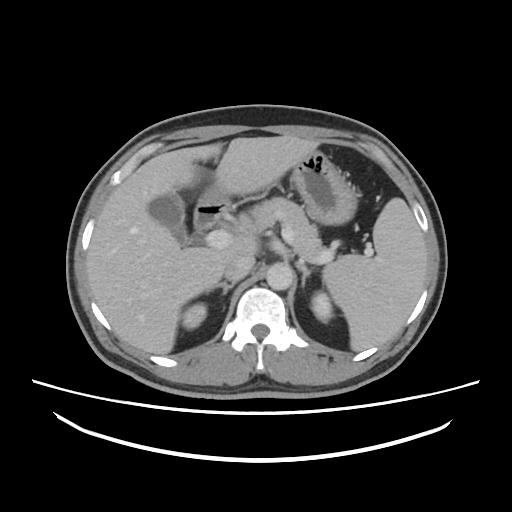
CT, abdomen/pelvis. axial plane, index 77. 31-year-old male patient. scan has 15 labeled organs (that count is for the whole scan; organs this slice misses have no box)
Coordinates as <box>x1,y1,x2,y2</box> in pixels.
spleen: <box>322,198,427,350</box>
right kidney: <box>182,302,206,329</box>
left kidney: <box>311,292,332,321</box>
gall bladder: <box>148,194,191,244</box>
liver: <box>86,135,377,354</box>
stomach: <box>198,150,357,224</box>
aorta: <box>266,263,293,290</box>
inferior vena cava: <box>223,254,254,281</box>
pancreas: <box>252,197,326,263</box>
right adrenal gland: <box>205,281,235,295</box>
left adrenal gland: <box>297,262,312,287</box>
duodenum: <box>194,203,228,230</box>